Computed tomography, abdomen; axial view; SOMATOM Force scanner; 15 organs annotated in this scan (a whole-scan count: organs this slice does not pass through have no box)
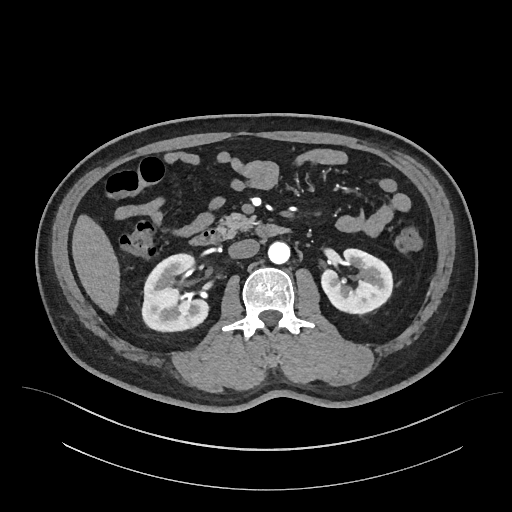 Box edges are left/top/right/bottom in pixels. Labeled organs on this slice: right kidney at left=142, top=254, right=208, bottom=331, left kidney at left=321, top=249, right=392, bottom=313, liver at left=72, top=214, right=119, bottom=314, aorta at left=268, top=241, right=290, bottom=263, inferior vena cava at left=229, top=239, right=259, bottom=258, pancreas at left=219, top=213, right=257, bottom=232, duodenum at left=189, top=224, right=289, bottom=245.